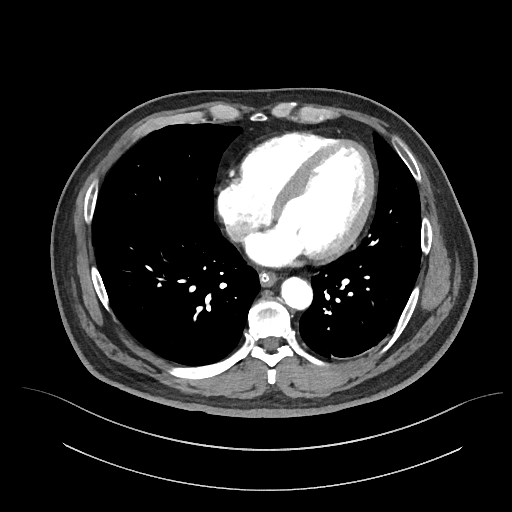

CT of the abdomen reaching into the lower chest, slice just above the liver and spleen. axial plane, index 235. acquired on SOMATOM Force
The heart and lungs are never labeled in this dataset, so they have no box on this slice.
<organs><organ name="esophagus" x1="259" y1="274" x2="276" y2="287"/><organ name="aorta" x1="282" y1="278" x2="313" y2="310"/><organ name="inferior vena cava" x1="225" y1="221" x2="251" y2="240"/></organs>